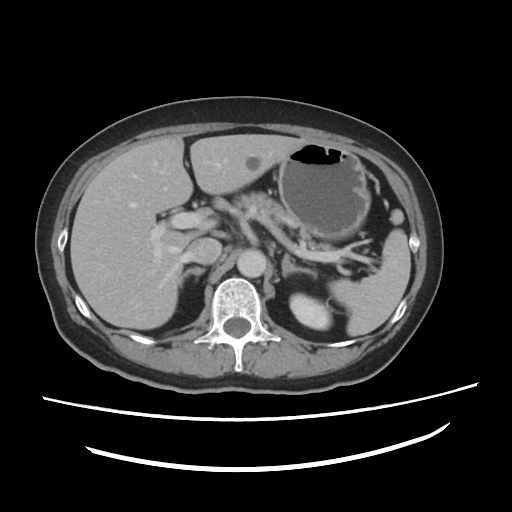

Computed tomography, abdomen — axial view
<organs><organ name="liver" x1="71" y1="135" x2="309" y2="329"/><organ name="left adrenal gland" x1="282" y1="254" x2="317" y2="278"/><organ name="spleen" x1="326" y1="209" x2="411" y2="337"/><organ name="left kidney" x1="289" y1="294" x2="332" y2="329"/><organ name="stomach" x1="278" y1="140" x2="371" y2="241"/><organ name="aorta" x1="237" y1="250" x2="267" y2="277"/><organ name="inferior vena cava" x1="186" y1="238" x2="221" y2="264"/><organ name="right adrenal gland" x1="180" y1="267" x2="204" y2="281"/><organ name="pancreas" x1="230" y1="192" x2="332" y2="251"/></organs>